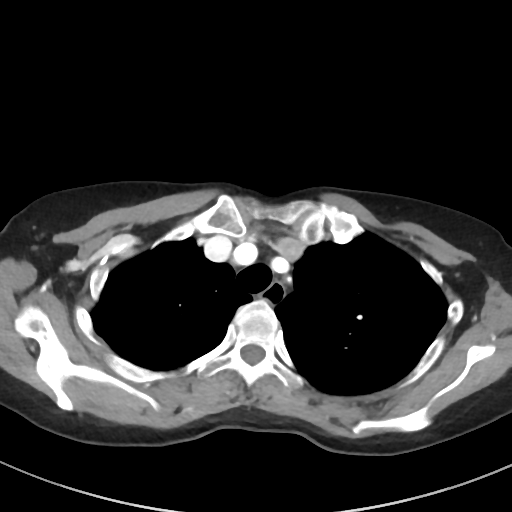

CT of the abdomen extending into the chest, slice through the chest · axial view · soft-tissue window
On a slice this high in the chest, this dataset labels only the esophagus and the aorta, and each is boxed only where it is labeled; the heart, lungs and other chest structures are not labeled.
Bounding boxes as [x1, y1, x2, y2] in pixel coordinates.
Organ bounding boxes:
- esophagus: [259, 283, 286, 300]